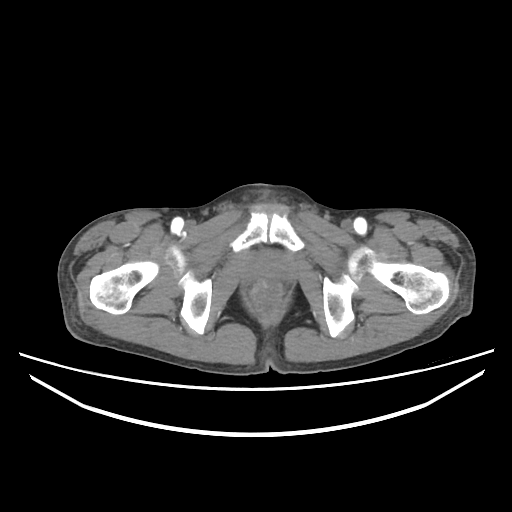 Abdominal CT · axial plane, index 5 · 512x512 px
Organ boxes in pixel coordinates; each row gives the top-left (x1, y1) and bottom-right (x2, y2) corners.
| organ | x1 | y1 | x2 | y2 |
|---|---|---|---|---|
| prostate/uterus | 250 | 254 | 286 | 276 |